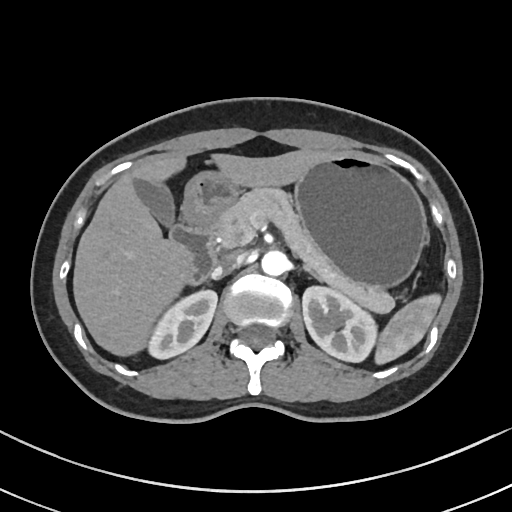 CT, abdomen/pelvis — axial view — W/L 400/40 HU — acquired on SOMATOM Force — scan has 15 labeled organs (counted over the whole 3D scan, not this slice; an organ is boxed only where this slice passes through it)
Boxes: x1 y1 x2 y2 (pixel coords, space-separated). Labeled organs on this slice: spleen at 374 293 441 364, right kidney at 148 289 217 359, left kidney at 303 285 376 361, gall bladder at 133 179 172 222, liver at 74 147 331 354, stomach at 184 152 426 284, aorta at 261 249 288 275, inferior vena cava at 212 253 241 276, pancreas at 214 185 394 312, right adrenal gland at 195 282 202 283, left adrenal gland at 307 268 319 279, duodenum at 169 218 217 283.